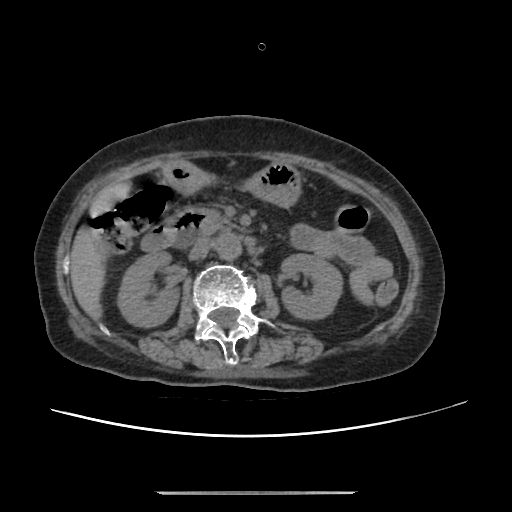

Abdominal CT; axial view; W/L 400/40 HU; SOMATOM Force scanner
Boxes: x1:y1:x2:y2 in pixels.
Organ bounding boxes:
- right kidney: 118:253:180:327
- left kidney: 281:254:343:320
- liver: 70:183:128:321
- stomach: 163:162:302:207
- aorta: 216:234:242:261
- inferior vena cava: 189:240:212:260
- pancreas: 200:207:235:235
- duodenum: 141:209:205:252